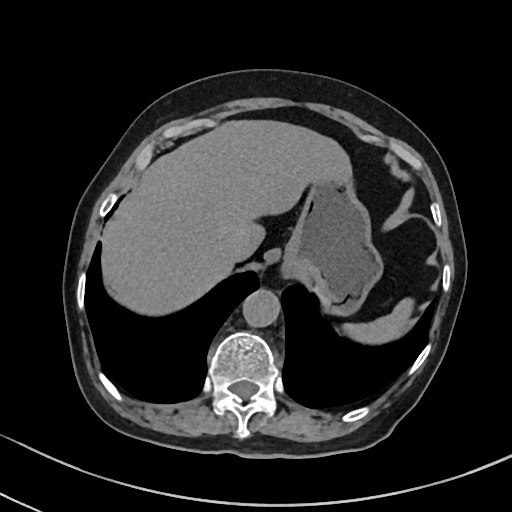
CT, abdomen/pelvis · Axial slice 173/202 · soft-tissue window · SOMATOM Force scanner
Each box given as x1,y1,x2,y2.
spleen: x1=345, y1=299, x2=413, y2=343
aorta: x1=241, y1=290, x2=279, y2=328
inferior vena cava: x1=225, y1=240, x2=246, y2=261
stomach: x1=280, y1=181, x2=381, y2=313
liver: x1=103, y1=121, x2=351, y2=314